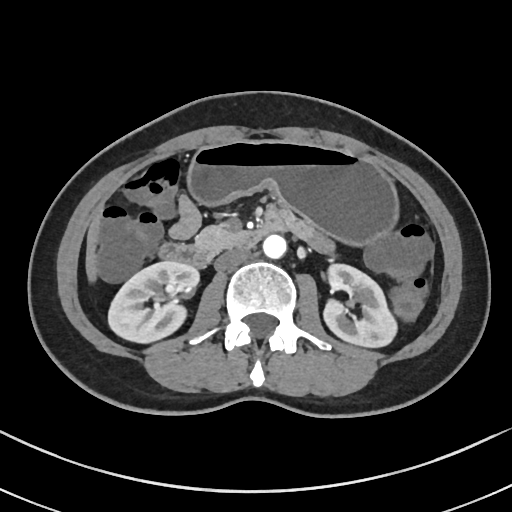

Abdominal CT; axial view; abdomen soft-tissue window; scan has 15 labeled organs (counted over the whole 3D scan, not this slice; an organ is boxed only where this slice passes through it)
Boxes: x1 y1 x2 y2 (pixel coords, space-separated).
right kidney: 108 260 199 342
left kidney: 323 264 397 347
liver: 85 211 101 281
stomach: 187 140 398 244
aorta: 263 234 286 258
inferior vena cava: 215 248 248 270
pancreas: 195 226 239 254
duodenum: 159 214 286 267